Chest-level CT slice, above the liver and spleen · Axial slice 122/133 · soft-tissue window · 512x512 px · Aquilion ONE scanner
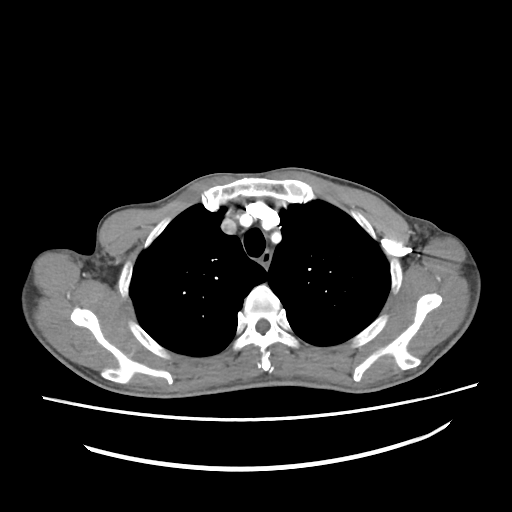 At this level of the chest this dataset labels only the esophagus and the aorta, and each is boxed only where it is labeled; the heart and lungs are never labeled.
{"organs":{"esophagus":[259,250,270,267]}}